CT, abdomen/pelvis; axial view; 69-year-old male patient
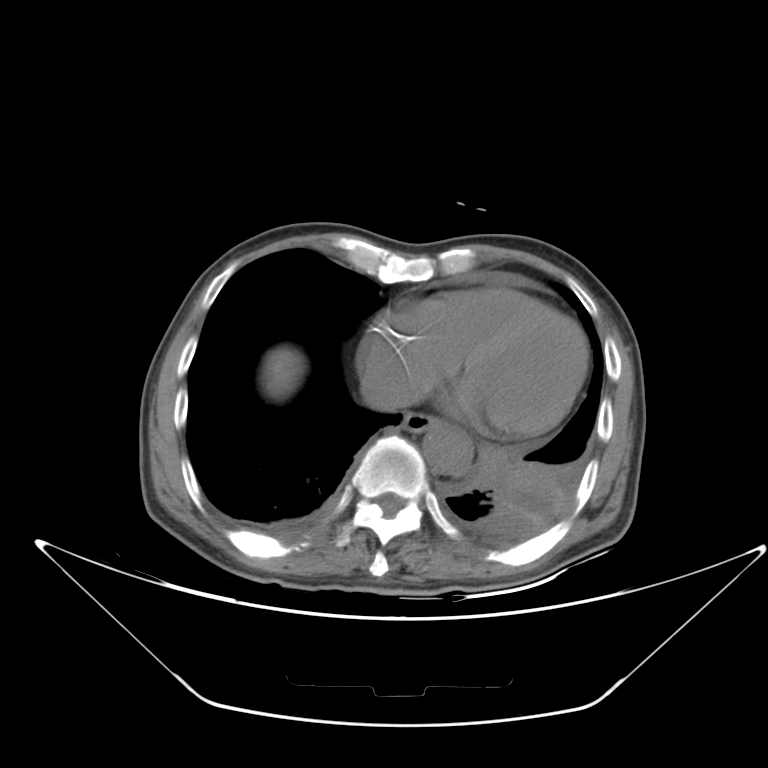
Boxes: x1 y1 x2 y2 (pixel coords, space-separated).
esophagus: 401 414 430 430
liver: 270 351 294 391
stomach: 528 453 532 453
aorta: 422 422 473 478
inferior vena cava: 362 373 418 410